Lower-chest slice from an abdominal CT, just above the liver and spleen · Axial slice 228/232 · 512x512 px
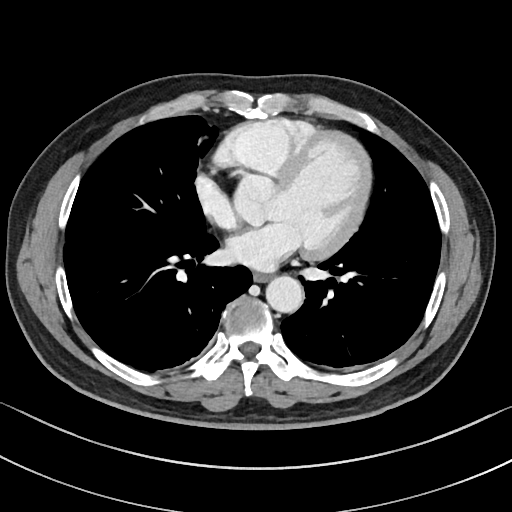

No part of the heart or lungs is labeled in this dataset, so neither has a box here.
{"organs":{"esophagus":[253,273,270,282],"aorta":[266,276,303,313]}}